Computed tomography, abdomen. axial plane, index 53. soft-tissue window
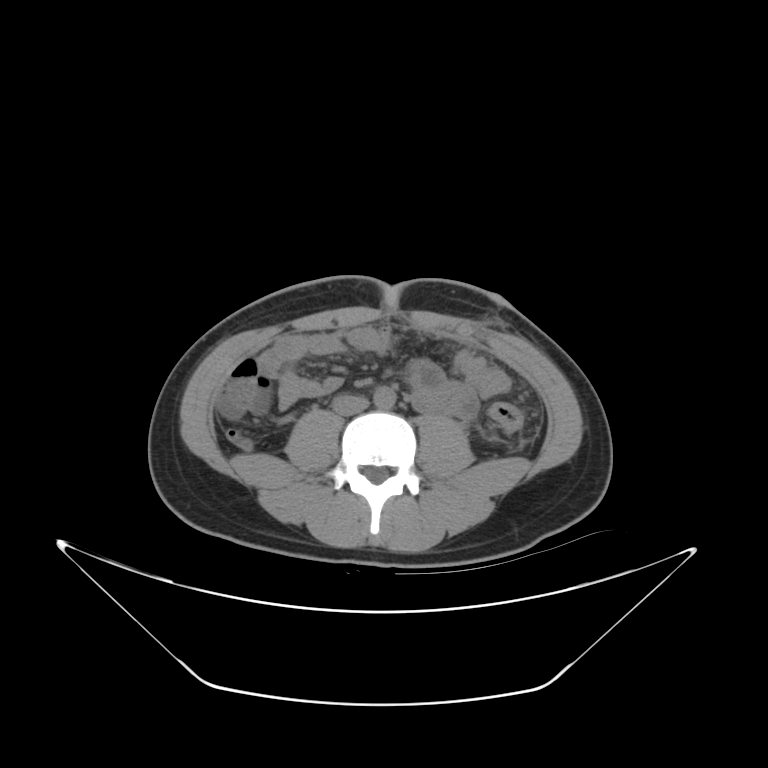
{"organs":{"aorta":[374,387,395,408],"inferior vena cava":[330,394,369,417]}}